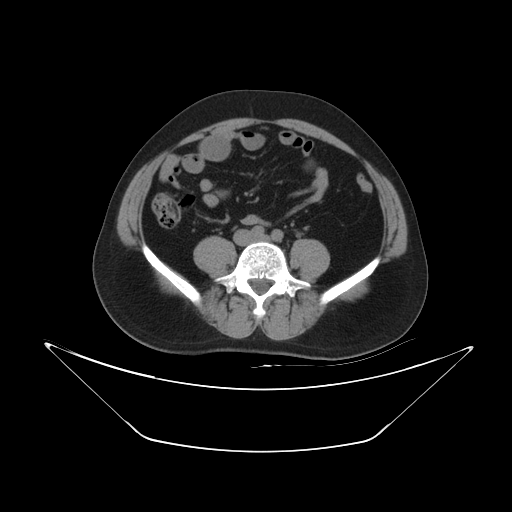
CT, abdomen/pelvis. Axial slice 40/83. soft-tissue window (W 400 / L 40). 41-year-old male patient
Organ boxes in pixel coordinates; each row gives the top-left (x1, y1) and bottom-right (x2, y2) corners.
| organ | x1 | y1 | x2 | y2 |
|---|---|---|---|---|
| inferior vena cava | 249 | 236 | 251 | 239 |